CT, abdomen/pelvis. axial plane, index 22. soft-tissue window
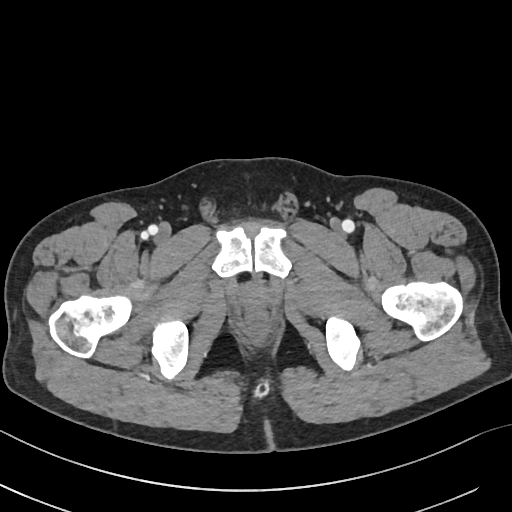 <organs><organ name="prostate/uterus" x1="238" y1="283" x2="270" y2="312"/></organs>